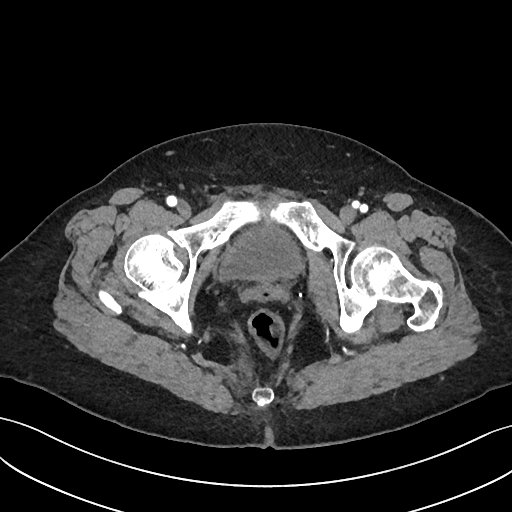

CT, abdomen/pelvis — Axial slice 17/276 — soft-tissue window — scan has 15 labeled organs (a whole-scan count: organs this slice does not pass through have no box)
{"organs":{"bladder":[221,227,302,280]}}